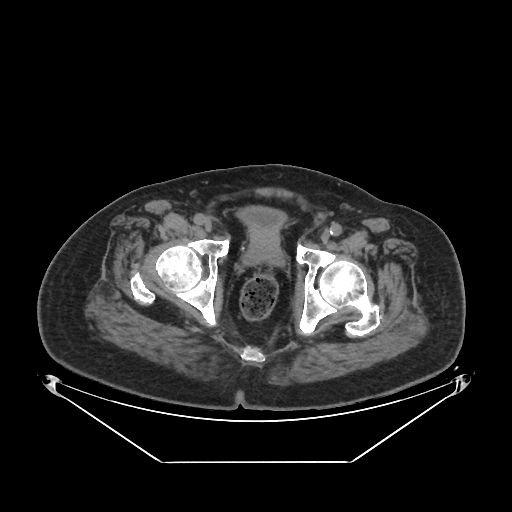
Abdominal CT; axial view; abdomen soft-tissue window
Coordinates as <box>x1,y1,x2,y2</box> in pixels.
Organ bounding boxes:
- prostate/uterus: <box>248,240,280,264</box>
- bladder: <box>238,207,285,241</box>